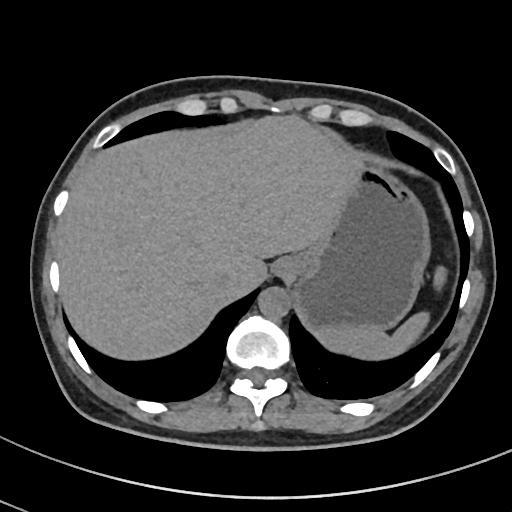

Abdominal CT — Axial slice 193/218 — W/L 400/40 HU
One row per box, in pixels: columns x1 and y1 give the top-left corner, x2 and y2 the bottom-right.
| organ | x1 | y1 | x2 | y2 |
|---|---|---|---|---|
| spleen | 315 | 267 | 444 | 359 |
| esophagus | 275 | 258 | 294 | 277 |
| liver | 54 | 115 | 357 | 362 |
| stomach | 287 | 159 | 431 | 330 |
| aorta | 257 | 287 | 289 | 318 |
| inferior vena cava | 214 | 272 | 231 | 293 |